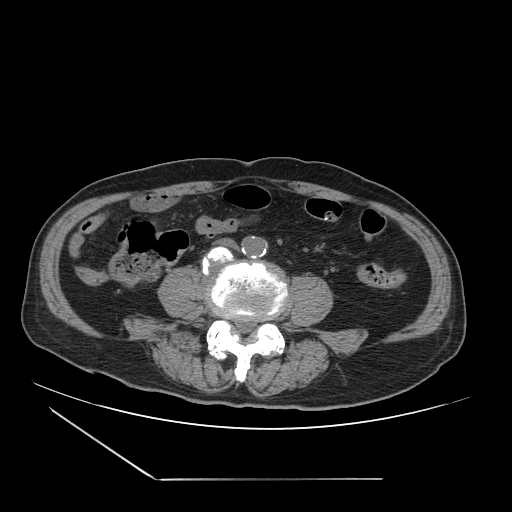 Computed tomography, abdomen — axial view — soft-tissue window (W 400 / L 40) — acquired on SOMATOM Force — 15 organs annotated in this scan (a whole-scan count: organs this slice does not pass through have no box)
Bounding boxes in pixels, one row per box: x1, y1 is the top-left corner and x2, y2 the bottom-right.
| organ | x1 | y1 | x2 | y2 |
|---|---|---|---|---|
| aorta | 240 | 235 | 268 | 256 |
| inferior vena cava | 215 | 237 | 237 | 248 |